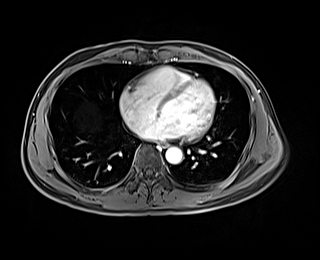 Lower-chest slice from an abdominal MRI, just above the liver and spleen — Axial slice 60/72 — 320x260 px — Prisma scanner — scan has 13 labeled organs (counted over the whole 3D scan, not this slice; an organ is boxed only where this slice passes through it)
Of the structures in the chest, this dataset labels only the esophagus, the aorta and the inferior vena cava; the heart and lungs have no label.
Boxes: x1 y1 x2 y2 (pixel coords, space-separated).
Organ bounding boxes:
- esophagus: 160 142 167 147
- aorta: 165 147 182 163